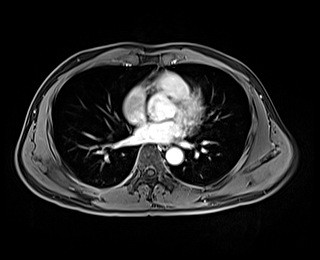

Lower-chest slice from an abdominal MRI, just above the liver and spleen. axial plane, index 66. percentile-normalized. 320x260 px
No part of the heart or lungs is labeled in this dataset, so neither has a box here.
Box edges are left/top/right/bottom in pixels.
esophagus: left=160, top=144, right=168, bottom=149
aorta: left=166, top=147, right=183, bottom=164